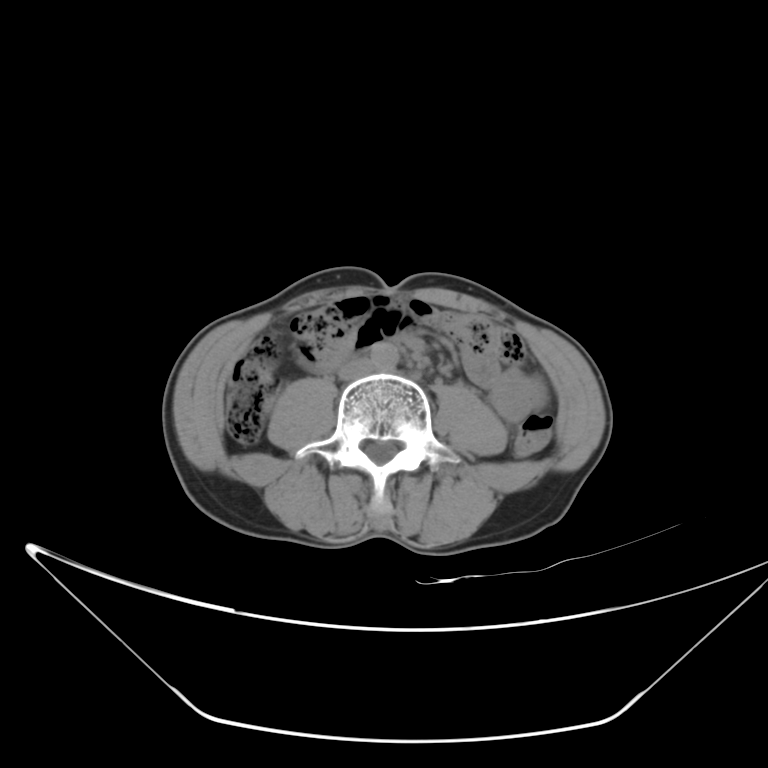 CT abdomen · axial view · scan has 14 labeled organs (counted over the whole 3D scan, not this slice; an organ is boxed only where this slice passes through it)
<organs><organ name="inferior vena cava" x1="337" y1="359" x2="372" y2="379"/><organ name="aorta" x1="370" y1="343" x2="398" y2="371"/></organs>